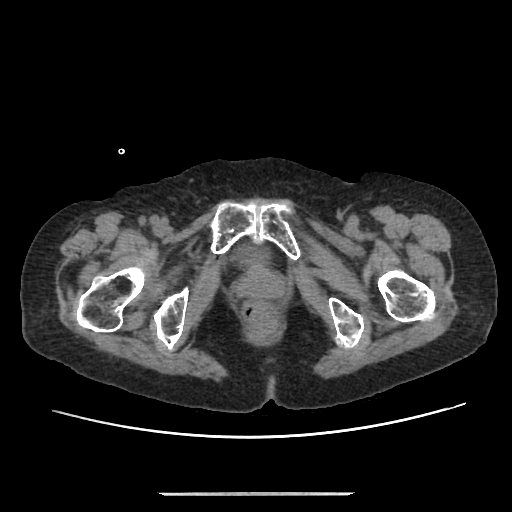

Computed tomography, abdomen — axial view — W/L 400/40 HU
Boxes: x1:y1:x2:y2 in pixels. The annotated organs in this slice are: bladder at 239:249:266:262.